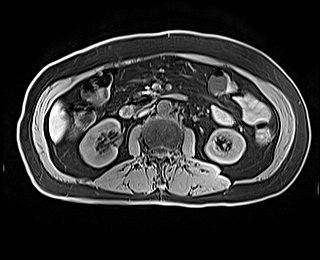
Abdominal MRI · axial view · 1st–99th percentile window · 320x260 px
{"organs":{"inferior vena cava":[139,109,149,116],"duodenum":[120,94,184,117],"left kidney":[205,128,245,163],"liver":[49,103,66,141],"right kidney":[79,119,120,167],"aorta":[157,100,171,114]}}